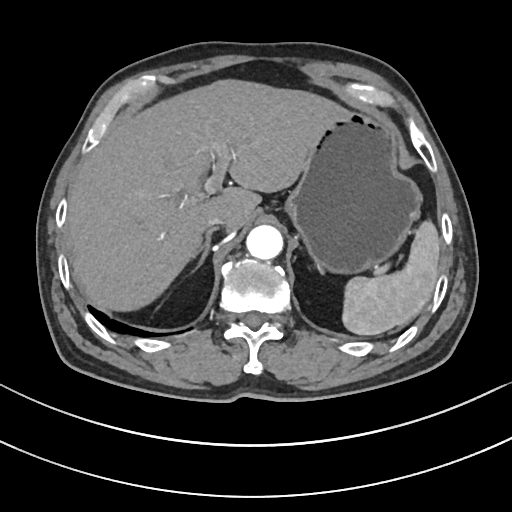
Abdominal CT · axial view · W/L 400/40 HU
Boxes: x1:y1:x2:y2 in pixels.
Organ bounding boxes:
- right adrenal gland: 197:229:215:267
- aorta: 246:225:283:259
- inferior vena cava: 204:217:224:230
- spleen: 342:220:440:335
- stomach: 285:109:421:273
- liver: 67:79:338:311